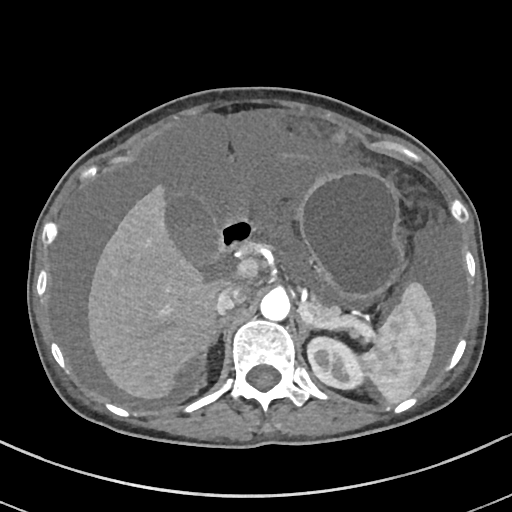

Computed tomography, abdomen — axial view — W/L 400/40 HU — 512x512 px — 15 organs annotated in this scan (counted over the whole 3D scan, not this slice; an organ is boxed only where this slice passes through it)
Boxes: x1 y1 x2 y2 (pixel coords, space-separated).
spleen: 359 281 436 403
left kidney: 307 337 365 389
gall bladder: 166 194 218 265
liver: 88 153 309 399
stomach: 298 170 405 301
aorta: 260 289 290 320
inferior vena cava: 215 287 246 315
pancreas: 307 295 343 322
right adrenal gland: 201 317 225 359
left adrenal gland: 299 321 312 341
duodenum: 218 216 253 252